Chest-level slice from an abdominal CT that extends up into the chest · Axial slice 112/118 · 512x512 px · 54-year-old female patient · acquired on Aquilion ONE
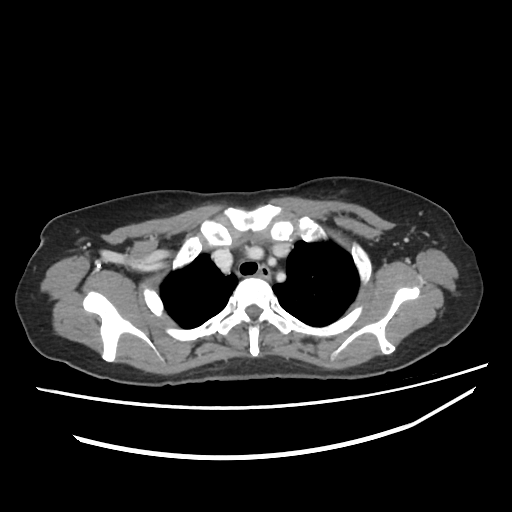
On a slice this high in the chest, this dataset labels only the esophagus and the aorta, and each is boxed only where it is labeled; the heart, lungs and other chest structures are not labeled.
One row per box, in pixels: columns x1 and y1 give the top-left corner, x2 and y2 the bottom-right.
| organ | x1 | y1 | x2 | y2 |
|---|---|---|---|---|
| esophagus | 258 | 265 | 270 | 277 |